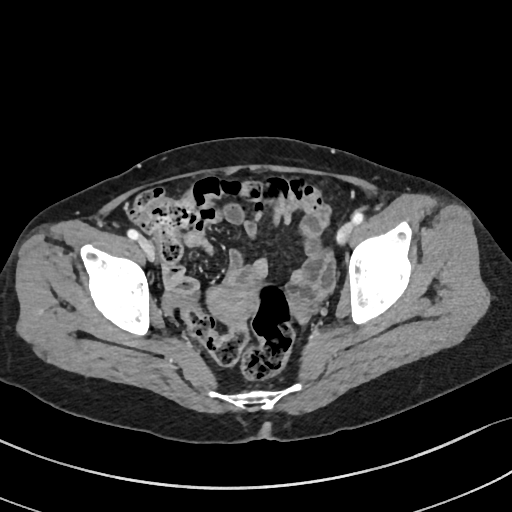 CT abdomen · Axial slice 38/175 · 512x512 px
Boxes: x1 y1 x2 y2 (pixel coords, space-separated).
Organ bounding boxes:
- prostate/uterus: 204 287 258 325